Abdominal CT — axial view — soft-tissue window — 512x512 px — acquired on Aquilion ONE
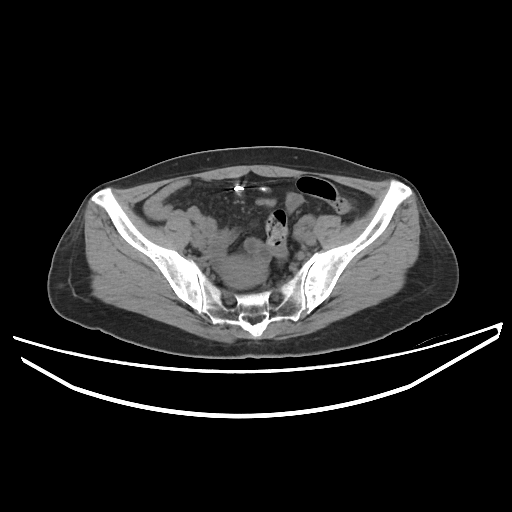 Box edges are left/top/right/bottom in pixels.
Organ bounding boxes:
- prostate/uterus: left=220, top=256, right=258, bottom=285